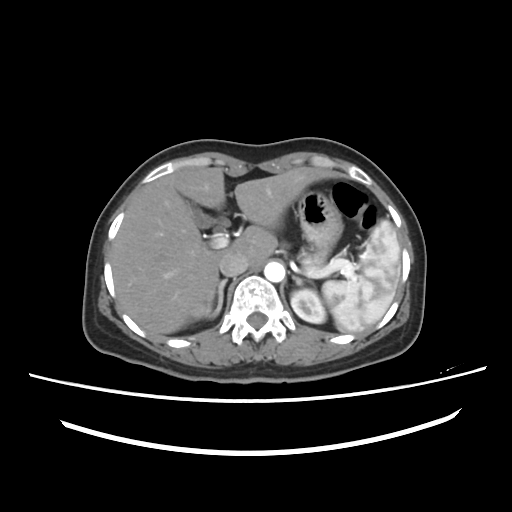

Abdominal CT. axial view. scan has 15 labeled organs (that count is for the whole scan; organs this slice misses have no box)
Boxes: x1:y1:x2:y2 in pixels. The annotated organs in this slice are: spleen at 322:220:399:332, right kidney at 205:308:210:315, left kidney at 290:289:326:323, gall bladder at 186:199:214:227, liver at 111:167:332:334, stomach at 294:187:342:255, aorta at 264:261:284:282, inferior vena cava at 219:253:248:276, pancreas at 301:253:325:270, right adrenal gland at 208:279:227:316, left adrenal gland at 293:276:312:286.